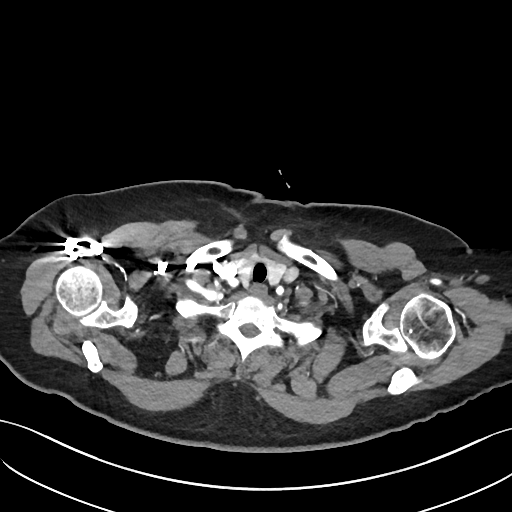 Chest-level CT slice, above the liver and spleen; axial view; 512x512 px; 15 organs annotated in this scan (that count is for the whole scan; organs this slice misses have no box)
At this level of the chest no structure but the esophagus and the aorta has a label in this dataset, and those two are boxed only where they are labeled.
Organ boxes in pixel coordinates; each row gives the top-left (x1, y1) and bottom-right (x2, y2) corners.
| organ | x1 | y1 | x2 | y2 |
|---|---|---|---|---|
| esophagus | 249 | 284 | 265 | 296 |